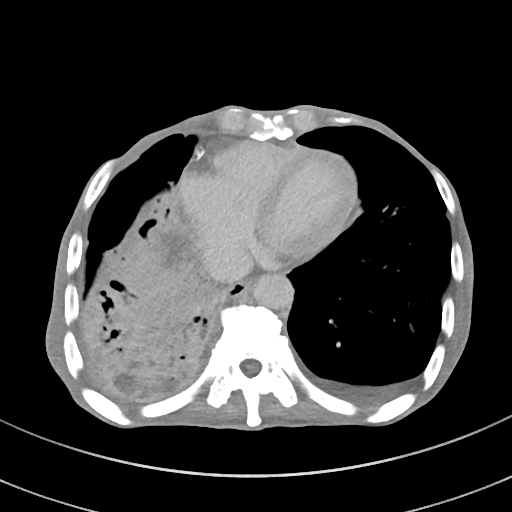

CT, abdomen/pelvis · axial plane, index 85 · soft-tissue window · acquired on SOMATOM Force
Boxes: x1:y1:x2:y2 in pixels.
esophagus: 224:280:252:298
liver: 116:253:178:329
aorta: 251:273:293:310
inferior vena cava: 204:244:253:283